Abdominal CT; this slice is in the lower chest, just above the liver — axial plane, index 185 — W/L 400/40 HU — 15 organs annotated in this scan (that count is for the whole scan; organs this slice misses have no box)
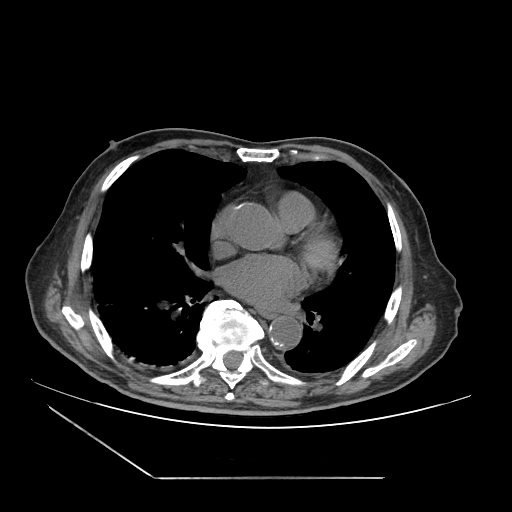 The heart and lungs are never labeled in this dataset, so they have no box on this slice.
Each box given as x1,y1,x2,y2.
esophagus: x1=259, y1=309, x2=276, y2=318
aorta: x1=269, y1=317, x2=301, y2=350